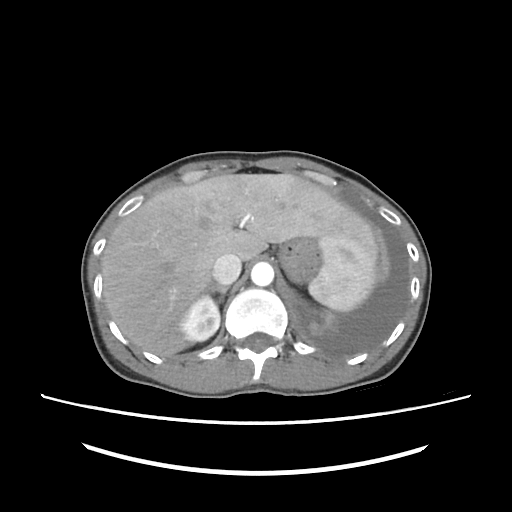 CT, abdomen/pelvis — axial view
{"organs":{"stomach":[279,238,321,282],"spleen":[308,237,376,311],"liver":[102,173,377,355],"right adrenal gland":[209,285,228,303],"right kidney":[180,296,220,341],"aorta":[251,262,274,286],"inferior vena cava":[212,253,241,284],"left adrenal gland":[295,297,296,300]}}